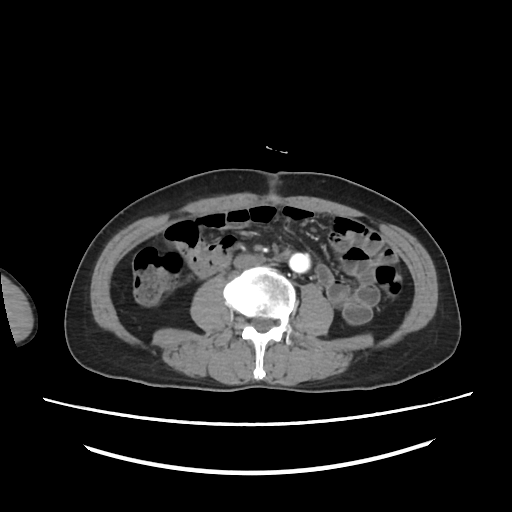

Abdominal CT — axial plane, index 55
Box edges are left/top/right/bottom in pixels.
Organ bounding boxes:
- aorta: left=289, top=253, right=309, bottom=272
- inferior vena cava: left=233, top=254, right=264, bottom=271